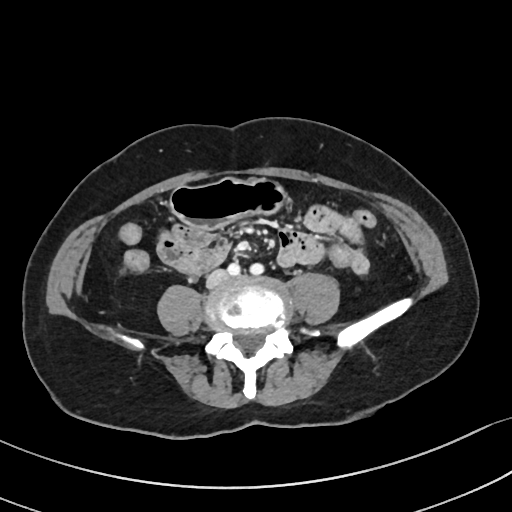 Computed tomography, abdomen. axial plane, index 91. W/L 400/40 HU
Boxes: x1 y1 x2 y2 (pixel coords, space-separated).
Organ bounding boxes:
- stomach: 169 178 285 228
- inferior vena cava: 207 270 226 286